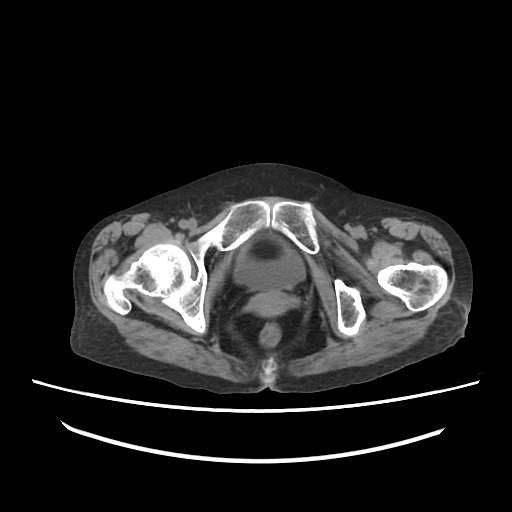

CT abdomen. axial view. 15 organs annotated in this scan (counted over the whole 3D scan, not this slice; an organ is boxed only where this slice passes through it)
{"organs":{"bladder":[234,248,305,290],"prostate/uterus":[248,291,294,316]}}